Chest-level CT slice, above the liver and spleen. axial view. W/L 400/40 HU
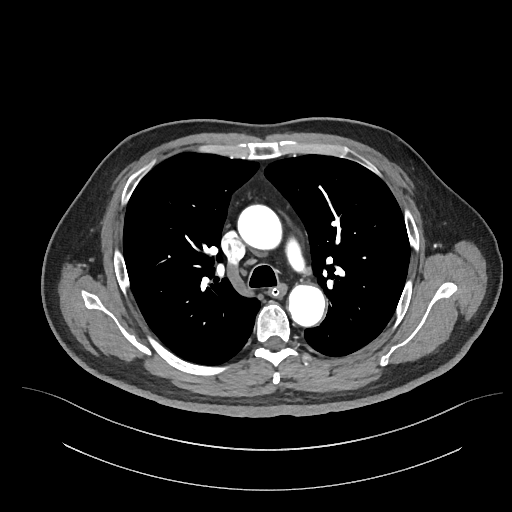
At this level of the chest this dataset labels only the esophagus and the aorta, and each is boxed only where it is labeled; the heart and lungs are never labeled.
<organs><organ name="aorta" x1="238" y1="205" x2="281" y2="249"/><organ name="aorta" x1="288" y1="285" x2="325" y2="326"/><organ name="esophagus" x1="271" y1="284" x2="286" y2="295"/></organs>